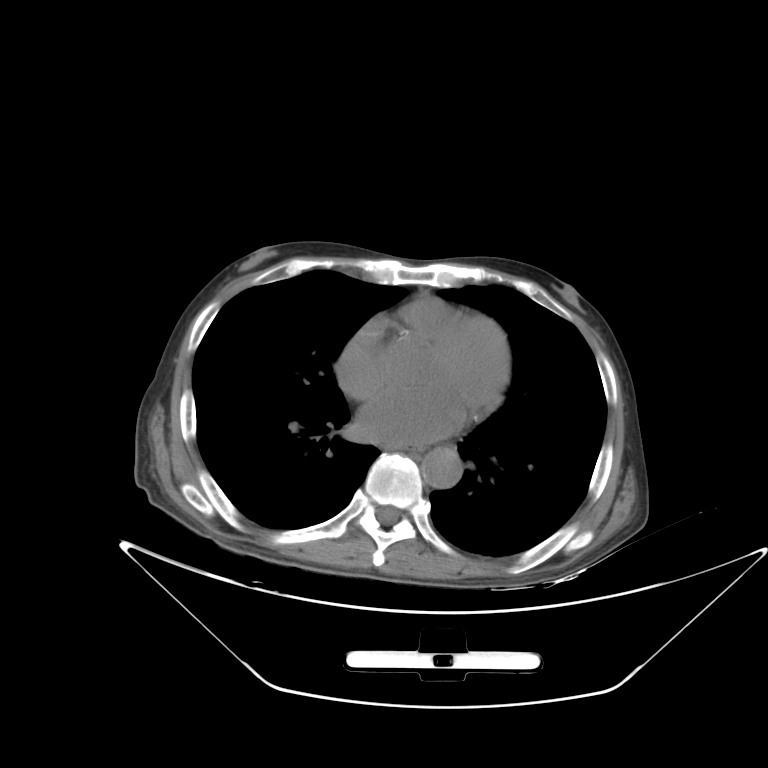 Abdominal CT; this slice is in the lower chest, just above the liver — axial view
No part of the heart or lungs is labeled in this dataset, so neither has a box here.
Boxes are (x1, y1, x2, y2) in pixels.
Organ bounding boxes:
- aorta: (421, 447, 462, 488)
- esophagus: (401, 445, 421, 451)